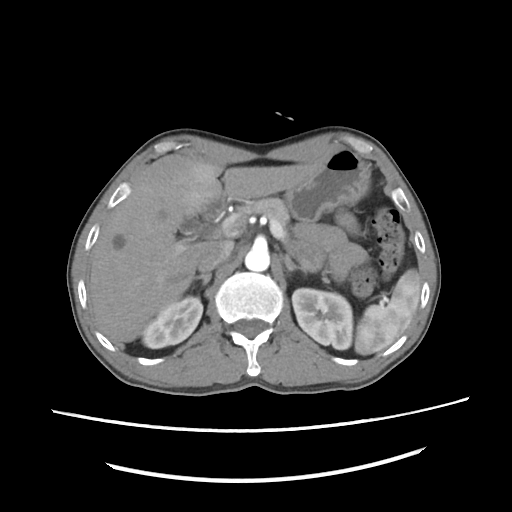
Computed tomography, abdomen. axial view. 512x512 px. 55-year-old male patient. acquired on Aquilion ONE
{"organs":{"spleen":[354,269,421,354],"right kidney":[141,296,202,348],"left kidney":[291,288,351,348],"gall bladder":[179,216,220,239],"liver":[88,153,325,345],"stomach":[285,144,371,223],"aorta":[245,244,269,272],"inferior vena cava":[195,240,234,272],"pancreas":[241,198,297,251],"right adrenal gland":[193,273,211,285],"left adrenal gland":[287,255,300,272],"duodenum":[199,195,226,222]}}